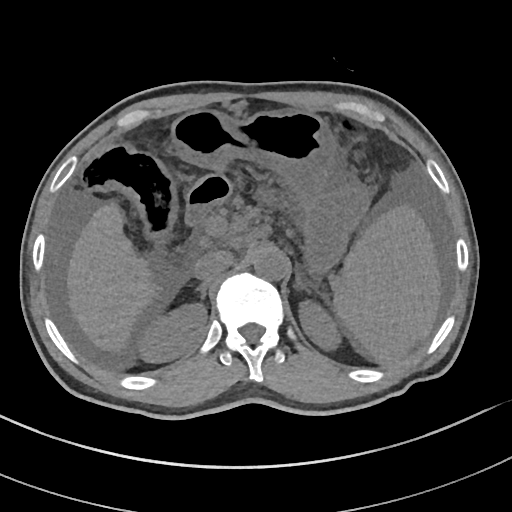 Computed tomography, abdomen — axial plane, index 157 — acquired on SOMATOM Force
Boxes: x1 y1 x2 y2 (pixel coords, space-separated).
left kidney: 298 300 340 350
right adrenal gland: 195 283 208 300
spleen: 333 205 440 363
duodenum: 186 174 231 225
left adrenal gland: 294 272 311 293
right kidney: 135 303 207 362
inferior vena cava: 193 250 233 282
aorta: 253 248 288 280
stomach: 171 108 369 273
liver: 67 202 156 351